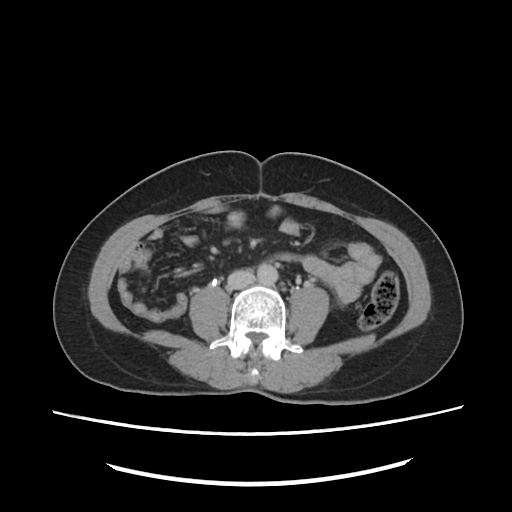

Abdominal CT; axial view; soft-tissue window (W 400 / L 40); 512x512 px
Bounding boxes in pixels, one row per box: x1, y1 is the top-left corner and x2, y2 the bottom-right.
| organ | x1 | y1 | x2 | y2 |
|---|---|---|---|---|
| aorta | 256 | 263 | 277 | 285 |
| inferior vena cava | 226 | 269 | 256 | 289 |